Abdominal CT; this slice is in the lower chest, just above the liver — Axial slice 218/237 — 512x512 px — acquired on SOMATOM Force
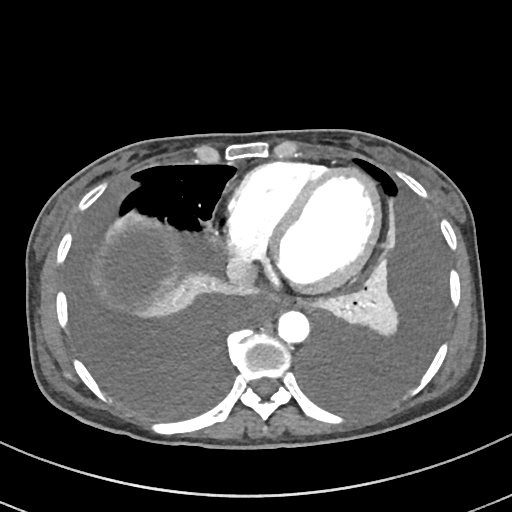 The heart and lungs are never labeled in this dataset, so they have no box on this slice. Coordinates as <box>x1,y1,x2,y2</box> in pixels. Labeled organs on this slice: aorta at <box>278,311,310,343</box>, inferior vena cava at <box>228,257,255,287</box>, esophagus at <box>273,297,289,311</box>.